Abdominal CT reaching into the chest; this slice is in the chest; axial view; SOMATOM Force scanner
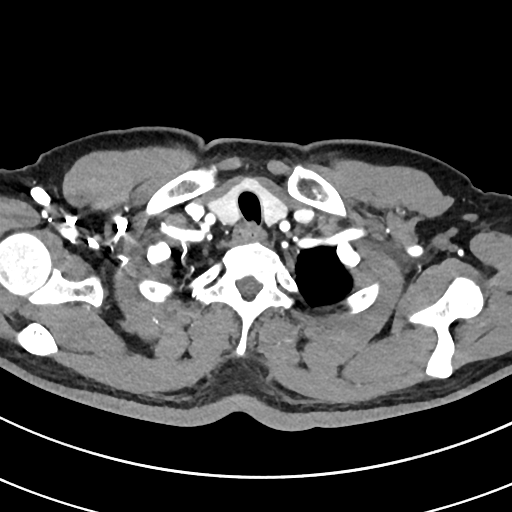 On a slice this high in the chest, this dataset labels only the esophagus and the aorta, and each is boxed only where it is labeled; the heart, lungs and other chest structures are not labeled.
{"organs":{"esophagus":[232,223,267,241]}}